CT, abdomen/pelvis. axial view. W/L 400/40 HU. scan has 15 labeled organs (counted over the whole 3D scan, not this slice; an organ is boxed only where this slice passes through it)
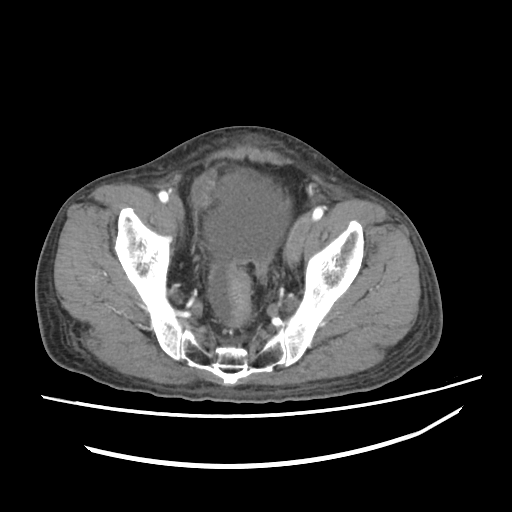

Boxes are (x1, y1, x2, y2) in pixels. Labeled organs on this slice: bladder at (191, 169, 217, 210).